Abdominal CT. Axial slice 77/88. acquired on SOMATOM Force. 15 organs annotated in this scan (counted over the whole 3D scan, not this slice; an organ is boxed only where this slice passes through it)
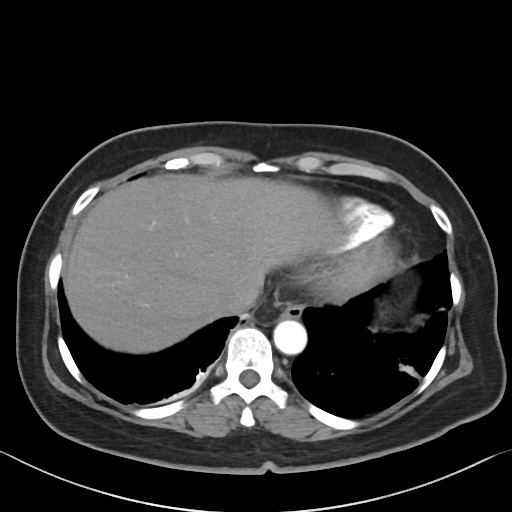

Each box given as x1,y1,x2,y2. Labeled organs on this slice: esophagus at x1=280, y1=304, x2=303, y2=319, liver at x1=64, y1=174, x2=335, y2=353, aorta at x1=273, y1=320, x2=306, y2=354, inferior vena cava at x1=218, y1=282, x2=262, y2=314.